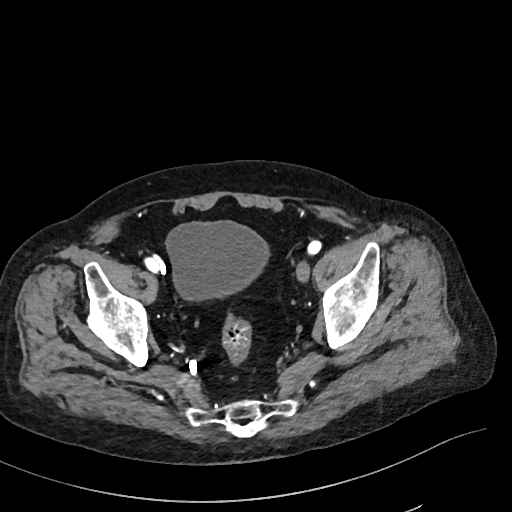

CT, abdomen/pelvis — axial plane, index 52 — soft-tissue window — 512x512 px — scan has 15 labeled organs (that count is for the whole scan; organs this slice misses have no box)
Bounding boxes as [x1, y1, x2, y2] in pixel coordinates.
Organ bounding boxes:
- bladder: [167, 221, 267, 299]